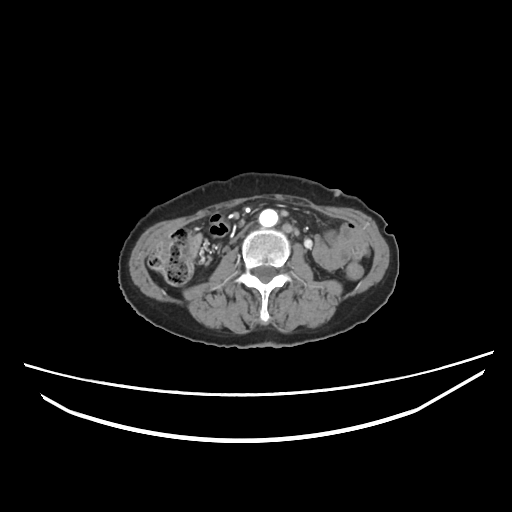 CT abdomen; axial plane, index 54; 63-year-old female patient
One row per box, in pixels: columns x1 and y1 give the top-left corner, x2 and y2 the bottom-right.
| organ | x1 | y1 | x2 | y2 |
|---|---|---|---|---|
| inferior vena cava | 228 | 223 | 252 | 245 |
| aorta | 260 | 209 | 278 | 227 |